Abdominal CT. axial view. 512x512 px. 83-year-old male patient. Aquilion ONE scanner
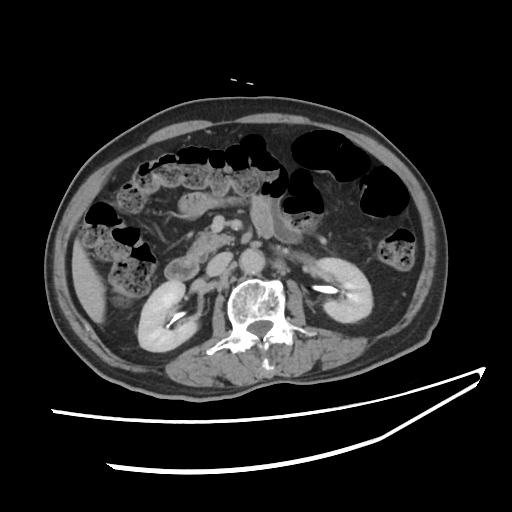

Boxes: x1:y1:x2:y2 in pixels.
Organ bounding boxes:
- liver: 72:238:104:323
- right kidney: 138:280:196:350
- aorta: 239:248:263:274
- pancreas: 193:227:233:251
- left kidney: 314:257:373:322
- duodenum: 165:250:204:280
- inferior vena cava: 206:251:231:276